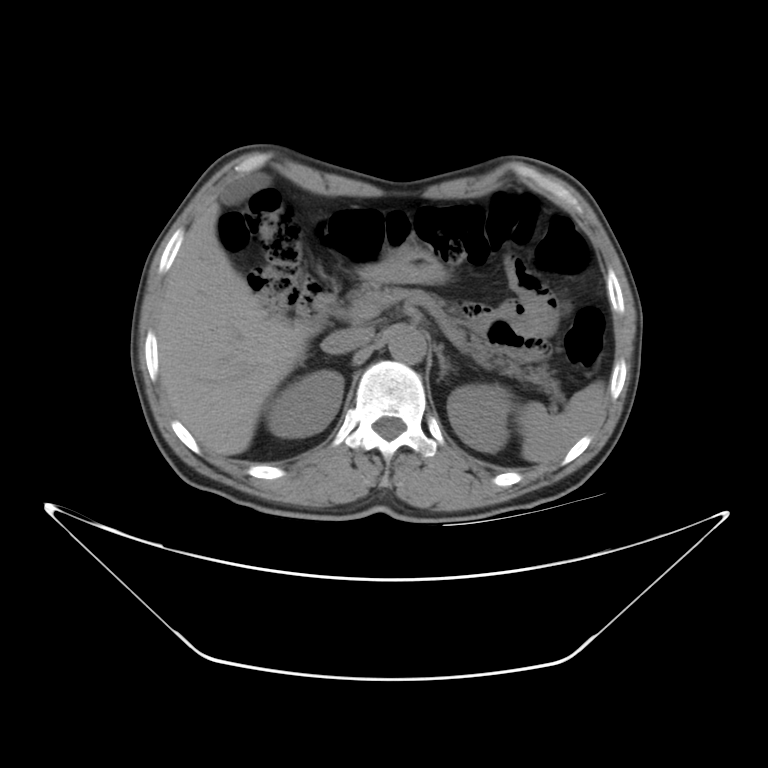 Computed tomography, abdomen — axial plane, index 68 — 768x768 px — acquired on Brilliance16 — scan has 15 labeled organs (a whole-scan count: organs this slice does not pass through have no box)
{"organs":{"aorta":[386,323,427,364],"left kidney":[449,386,507,452],"stomach":[364,252,449,283],"liver":[157,200,372,455],"pancreas":[333,279,559,396],"inferior vena cava":[322,328,372,354],"duodenum":[296,277,332,333],"spleen":[518,379,603,463],"right kidney":[265,370,342,438],"gall bladder":[223,174,270,207],"left adrenal gland":[433,345,449,383]}}